CT, abdomen/pelvis · axial view · scan has 15 labeled organs (counted over the whole 3D scan, not this slice; an organ is boxed only where this slice passes through it)
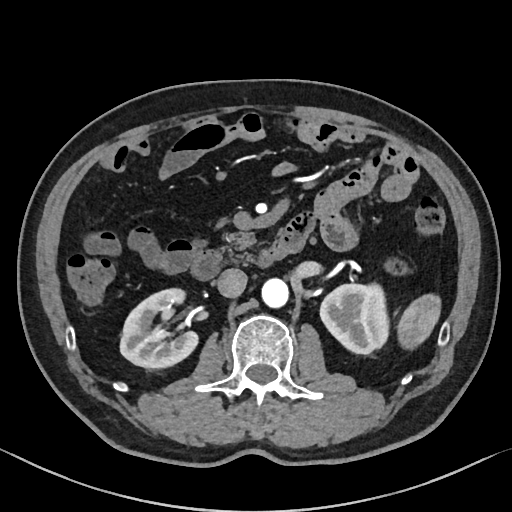
Box edges are left/top/right/bottom in pixels. Labeled organs on this slice: duodenum at left=191, top=229, right=305, bottom=280, left kidney at left=320, top=283, right=386, bottom=353, right kidney at left=120, top=286, right=197, bottom=368, inferior vena cava at left=217, top=269, right=246, bottom=298, aorta at left=261, top=277, right=288, bottom=307, spleen at left=399, top=296, right=438, bottom=345, pancreas at left=224, top=232, right=256, bottom=259.